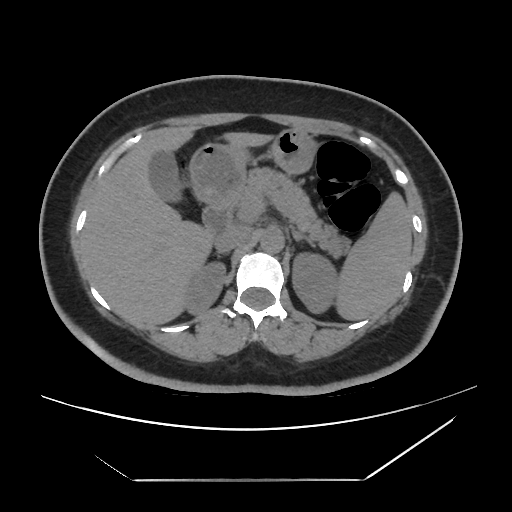 CT, abdomen/pelvis · axial view · 512x512 px
<organs><organ name="spleen" x1="335" y1="191" x2="411" y2="320"/><organ name="right kidney" x1="185" y1="262" x2="225" y2="314"/><organ name="left kidney" x1="292" y1="253" x2="337" y2="313"/><organ name="gall bladder" x1="149" y1="151" x2="182" y2="202"/><organ name="liver" x1="81" y1="126" x2="273" y2="325"/><organ name="stomach" x1="189" y1="129" x2="316" y2="203"/><organ name="aorta" x1="260" y1="229" x2="284" y2="253"/><organ name="inferior vena cava" x1="215" y1="228" x2="250" y2="252"/><organ name="pancreas" x1="233" y1="168" x2="350" y2="257"/><organ name="right adrenal gland" x1="216" y1="252" x2="224" y2="257"/><organ name="left adrenal gland" x1="292" y1="230" x2="315" y2="247"/><organ name="duodenum" x1="202" y1="202" x2="232" y2="236"/></organs>